CT of the abdomen reaching into the lower chest, slice just above the liver and spleen — axial view
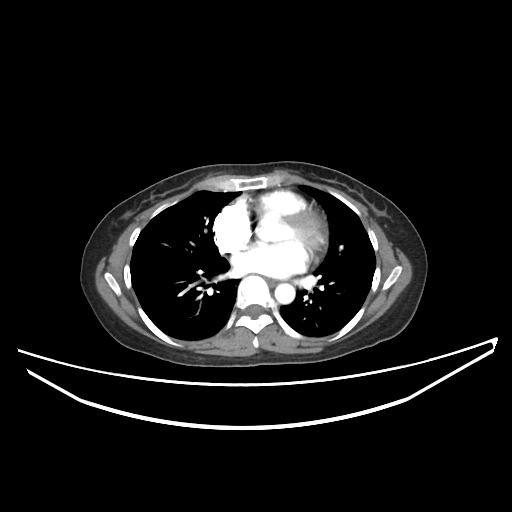
Of the structures in the chest, this dataset labels only the esophagus, the aorta and the inferior vena cava; the heart and lungs have no label.
{"organs":{"esophagus":[267,279,278,285],"aorta":[275,283,295,303]}}